Computed tomography, abdomen; Axial slice 141/213; 512x512 px; acquired on SOMATOM Force
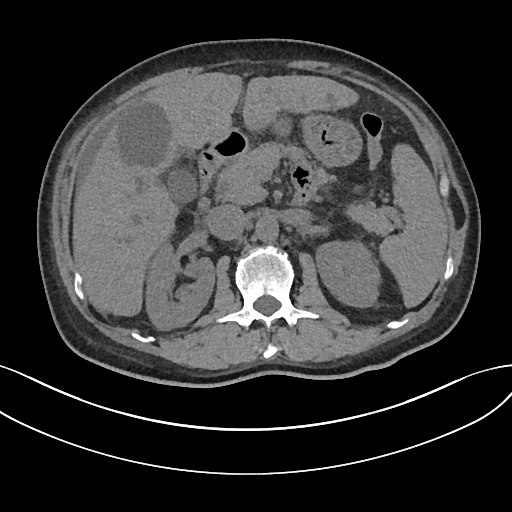
Bounding boxes in pixels, one row per box: x1, y1 is the top-left corner and x2, y2 the bottom-right.
| organ | x1 | y1 | x2 | y2 |
|---|---|---|---|---|
| spleen | 377 | 147 | 448 | 307 |
| right kidney | 147 | 246 | 214 | 329 |
| left kidney | 317 | 241 | 377 | 307 |
| gall bladder | 168 | 170 | 197 | 202 |
| liver | 72 | 72 | 357 | 317 |
| stomach | 275 | 115 | 364 | 167 |
| aorta | 256 | 217 | 279 | 243 |
| inferior vena cava | 203 | 204 | 247 | 240 |
| pancreas | 218 | 141 | 393 | 235 |
| duodenum | 198 | 132 | 245 | 193 |